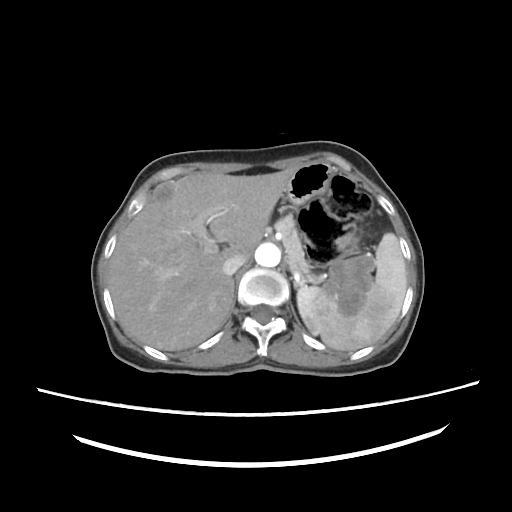
CT abdomen; Axial slice 66/82; abdomen soft-tissue window; 512x512 px
Each box given as x1,y1,x2,y2. The annotated organs in this slice are: inferior vena cava at x1=222, y1=253, x2=249, y2=273, aorta at x1=255, y1=242, x2=281, y2=268, stomach at x1=286, y1=161, x2=376, y2=317, pancreas at x1=276, y1=215, x2=316, y2=283, spleen at x1=297, y1=232, x2=404, y2=350, liver at x1=109, y1=169, x2=290, y2=350, right adrenal gland at x1=230, y1=276, x2=231, y2=277.